CT, abdomen/pelvis; axial view; 15 organs annotated in this scan (counted over the whole 3D scan, not this slice; an organ is boxed only where this slice passes through it)
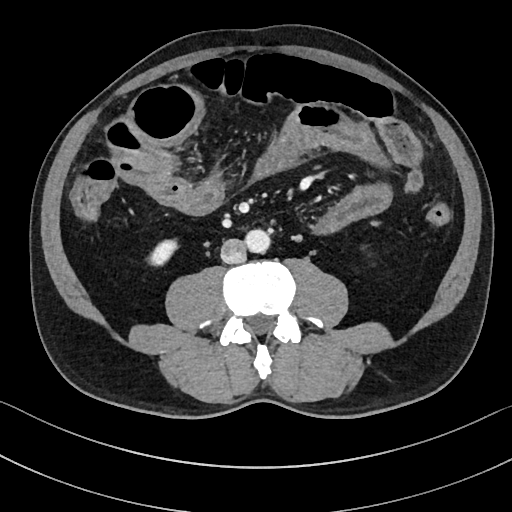
Organ boxes in pixel coordinates; each row gives the top-left (x1, y1) and bottom-right (x2, y2) corners.
| organ | x1 | y1 | x2 | y2 |
|---|---|---|---|---|
| right kidney | 151 | 239 | 175 | 265 |
| aorta | 246 | 229 | 271 | 253 |
| inferior vena cava | 221 | 239 | 246 | 263 |